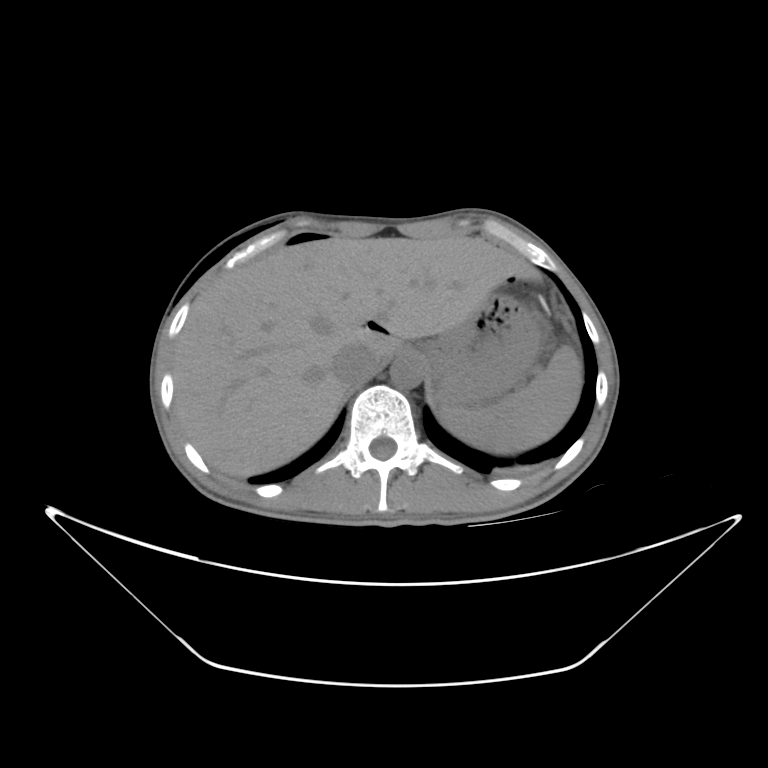 CT abdomen · axial view · 768x768 px · acquired on Brilliance16
{"organs":{"spleen":[439,346,582,452],"liver":[175,235,541,477],"stomach":[431,292,534,405],"aorta":[390,354,421,387],"inferior vena cava":[332,341,376,381]}}